Abdominal CT reaching into the chest; this slice is in the chest · axial view · soft-tissue window (W 400 / L 40) · SOMATOM Force scanner
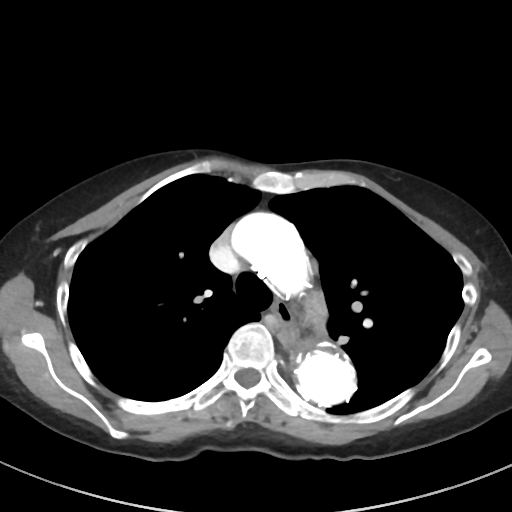 At this level of the chest no structure but the esophagus and the aorta has a label in this dataset, and those two are boxed only where they are labeled.
Boxes are (x1, y1, x2, y2) in pixels.
Organ bounding boxes:
- esophagus: (273, 299, 298, 343)
- aorta: (231, 212, 310, 297)
- aorta: (291, 338, 356, 406)